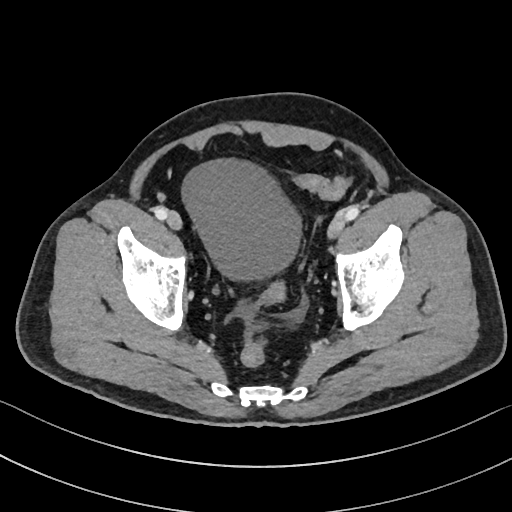

Abdominal CT · axial view
{"organs":{"bladder":[183,161,301,278]}}